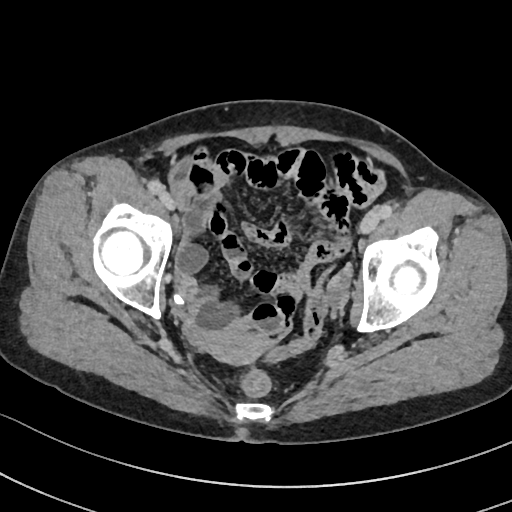

CT, abdomen/pelvis. axial plane, index 30. acquired on SOMATOM Force
<organs><organ name="prostate/uterus" x1="203" y1="330" x2="262" y2="363"/></organs>